Computed tomography, abdomen · Axial slice 124/207
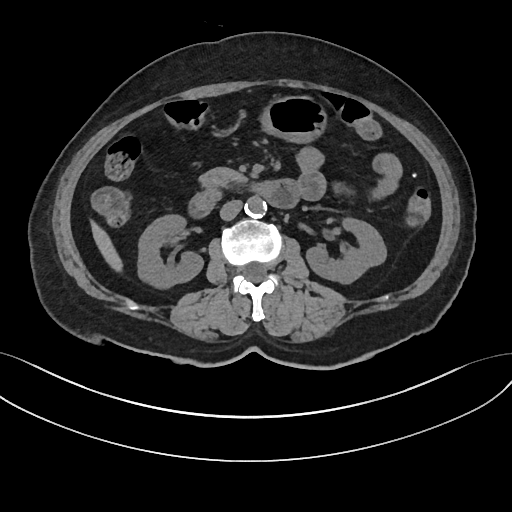 {"organs":{"right kidney":[138,214,203,288],"left kidney":[306,217,386,283],"liver":[90,220,122,271],"stomach":[260,96,326,142],"aorta":[245,196,266,217],"inferior vena cava":[220,200,241,220],"pancreas":[200,167,244,190],"duodenum":[188,179,298,218]}}